CT, abdomen/pelvis; axial view; scan has 15 labeled organs (a whole-scan count: organs this slice does not pass through have no box)
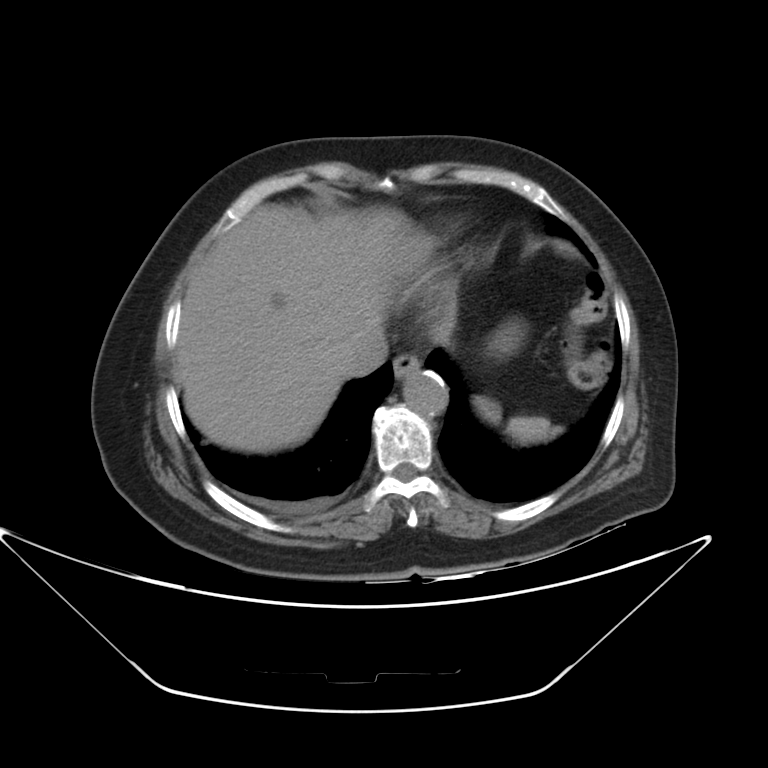

Boxes: x1:y1:x2:y2 in pixels.
Organ bounding boxes:
- liver: 177:203:454:452
- stomach: 490:333:517:353
- esophagus: 392:353:419:378
- spleen: 477:399:561:444
- inferior vena cava: 342:331:388:376
- aorta: 403:371:448:417